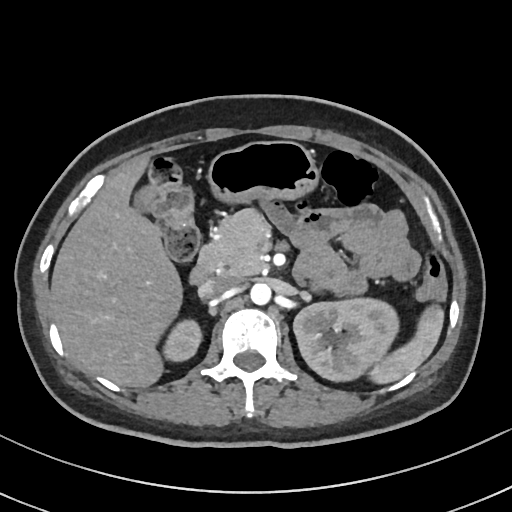

CT abdomen; axial plane, index 136; 512x512 px
Each box given as x1,y1,x2,y2.
Organ bounding boxes:
- stomach: x1=207, y1=140, x2=319, y2=204
- duodenum: x1=189, y1=261, x2=211, y2=284
- liver: x1=50, y1=155, x2=182, y2=387
- right kidney: x1=163, y1=319, x2=201, y2=361
- spleen: x1=369, y1=305, x2=444, y2=383
- aorta: x1=249, y1=283, x2=271, y2=305
- inferior vena cava: x1=198, y1=275, x2=238, y2=298
- gall bladder: x1=134, y1=187, x2=153, y2=212
- pancreas: x1=199, y1=209, x2=269, y2=275
- left kidney: x1=293, y1=298, x2=399, y2=381